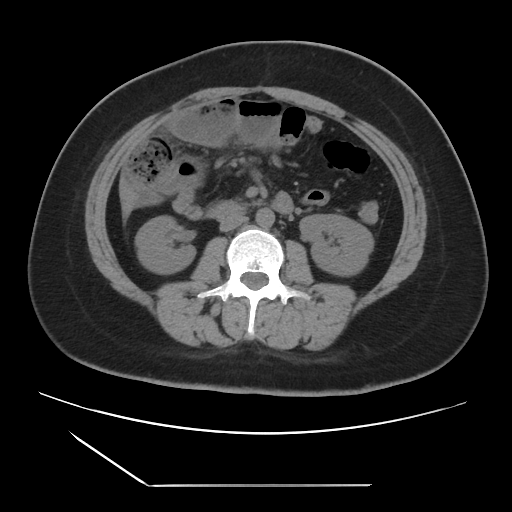 CT, abdomen/pelvis · axial view · 512x512 px · acquired on SOMATOM Force
{"organs":{"right kidney":[135,216,195,273],"left kidney":[300,214,373,275],"liver":[124,208,129,216],"aorta":[255,208,274,227],"inferior vena cava":[219,213,247,231],"duodenum":[212,192,294,218]}}